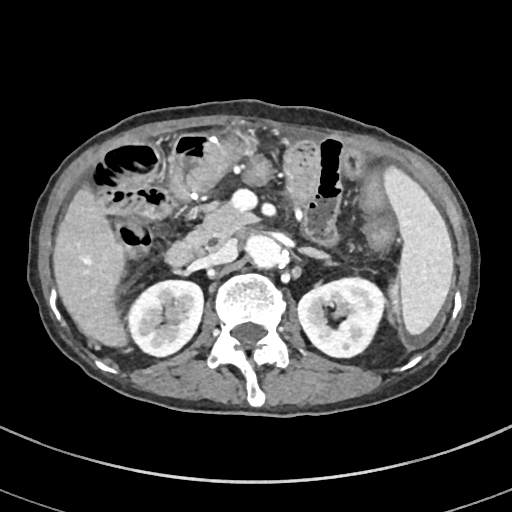 CT, abdomen/pelvis · axial view · soft-tissue window (W 400 / L 40)
Boxes: x1:y1:x2:y2 in pixels. 9 labeled organs on this slice — aorta at 244:233:281:267; left kidney at 298:276:385:357; pancreas at 186:205:257:247; inferior vena cava at 201:240:237:265; duodenum at 165:239:200:268; spleen at 384:165:453:334; liver at 53:187:127:345; left adrenal gland at 297:246:329:259; right kidney at 128:280:203:356.